Abdominal CT; axial view; soft-tissue window (W 400 / L 40); 512x512 px; SOMATOM Force scanner
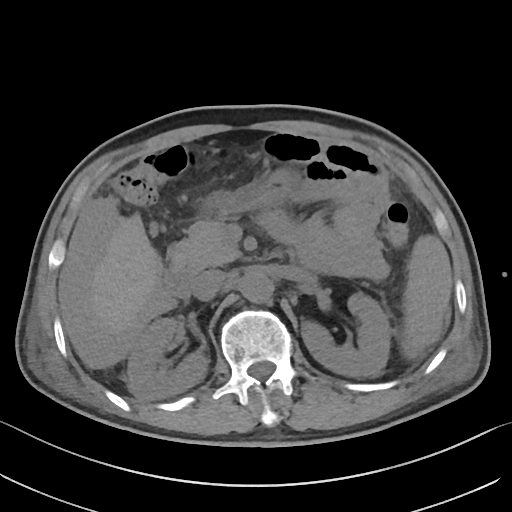
Coordinates as <box>x1,y1,x2,y2</box> in pixels.
Organ bounding boxes:
- spleen: <box>400,235,452,359</box>
- right kidney: <box>127,318,208,400</box>
- left kidney: <box>301,293,390,377</box>
- liver: <box>91,213,156,330</box>
- stomach: <box>213,169,295,208</box>
- aorta: <box>240,272,273,302</box>
- inferior vena cava: <box>193,269,225,301</box>
- pancreas: <box>168,220,240,268</box>
- duodenum: <box>163,265,200,298</box>